CT abdomen — axial view — abdomen soft-tissue window — scan has 15 labeled organs (a whole-scan count: organs this slice does not pass through have no box)
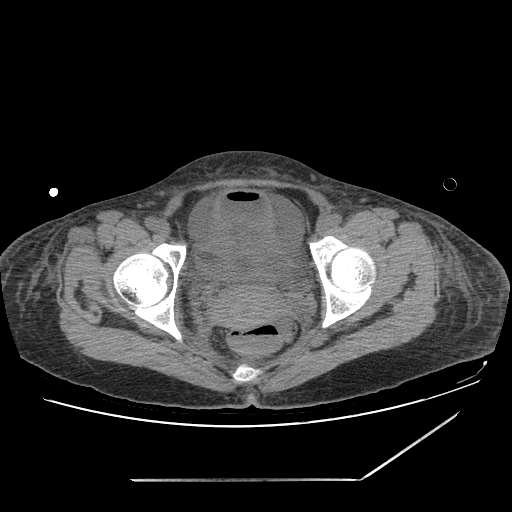

{"organs":{"prostate/uterus":[211,283,283,327],"bladder":[194,188,289,281]}}